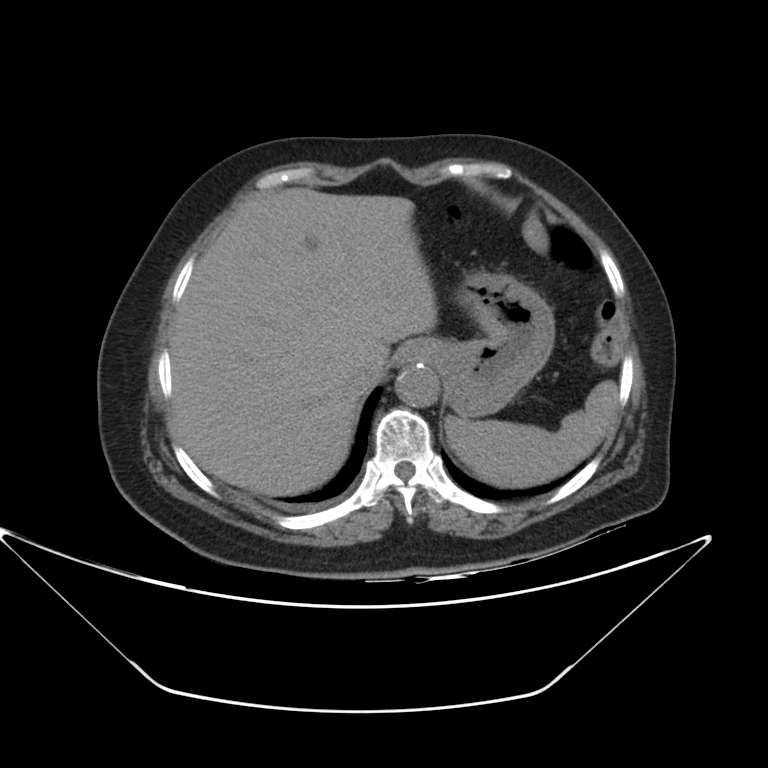

CT abdomen. Axial slice 80/97. W/L 400/40 HU. 768x768 px
<organs><organ name="spleen" x1="445" y1="380" x2="617" y2="487"/><organ name="esophagus" x1="395" y1="340" x2="425" y2="365"/><organ name="liver" x1="168" y1="189" x2="437" y2="496"/><organ name="stomach" x1="422" y1="272" x2="554" y2="417"/><organ name="aorta" x1="395" y1="362" x2="438" y2="407"/><organ name="inferior vena cava" x1="349" y1="350" x2="384" y2="384"/></organs>